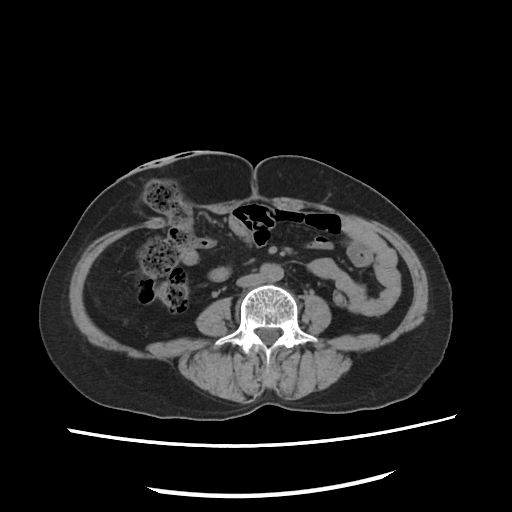 Abdominal CT; axial plane, index 46
Boxes: x1:y1:x2:y2 in pixels.
aorta: 259:262:282:282
inferior vena cava: 235:274:263:287